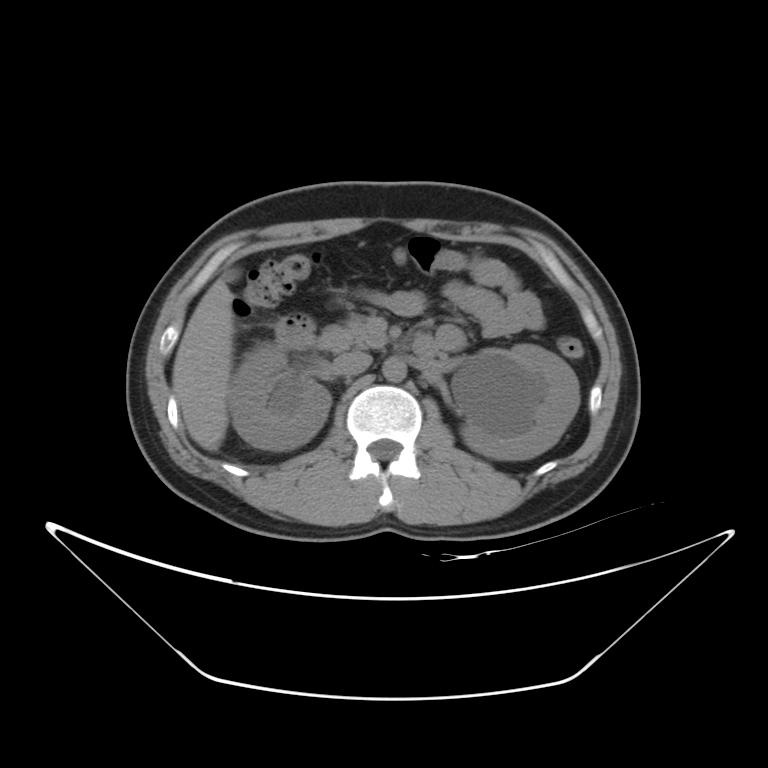 CT, abdomen/pelvis — Axial slice 72/97
One row per box, in pixels: columns x1 and y1 give the top-left corner, x2 and y2 the bottom-right.
| organ | x1 | y1 | x2 | y2 |
|---|---|---|---|---|
| right kidney | 228 | 342 | 331 | 449 |
| left kidney | 461 | 343 | 580 | 460 |
| gall bladder | 225 | 268 | 240 | 280 |
| liver | 172 | 276 | 234 | 451 |
| aorta | 382 | 356 | 407 | 381 |
| inferior vena cava | 333 | 350 | 372 | 375 |
| pancreas | 316 | 318 | 386 | 351 |
| duodenum | 275 | 314 | 437 | 355 |